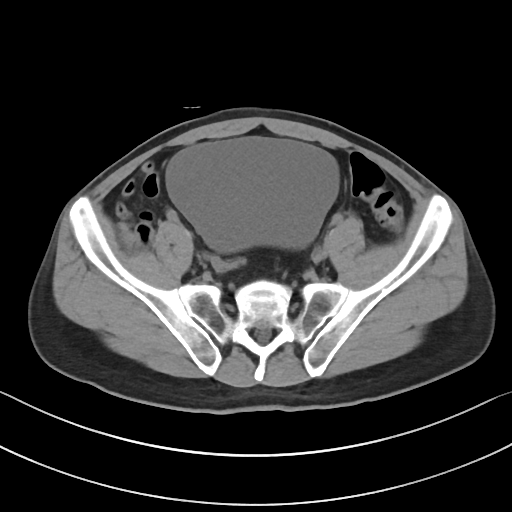 CT abdomen; Axial slice 31/87; soft-tissue window (W 400 / L 40)
Boxes: x1 y1 x2 y2 (pixel coords, space-separated). 1 labeled organ on this slice — bladder at 166 138 337 251.